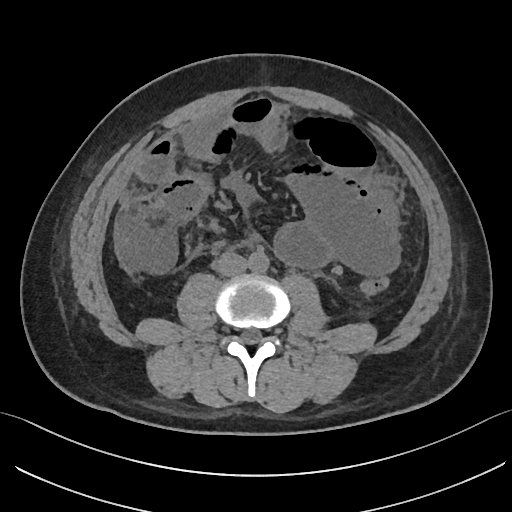

Abdominal CT. axial plane, index 114. scan has 15 labeled organs (that count is for the whole scan; organs this slice misses have no box)
Boxes: x1 y1 x2 y2 (pixel coords, space-separated). The annotated organs in this slice are: aorta at 248 251 268 272, inferior vena cava at 214 251 247 276.